Computed tomography, abdomen · axial view · soft-tissue window
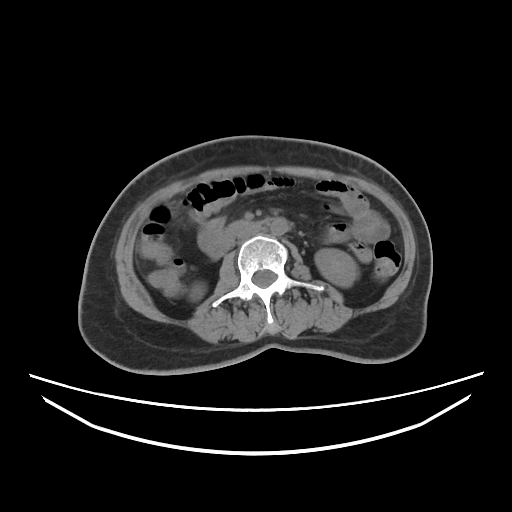
Coordinates as <box>x1,y1,x2,y2</box> in pixels.
right kidney: <box>188,281,206,301</box>
left kidney: <box>315,248,358,286</box>
aorta: <box>270,219,287,235</box>
inferior vena cava: <box>234,224,261,238</box>
duodenum: <box>223,218,274,236</box>